CT abdomen. axial view. 512x512 px. 40-year-old male patient. 15 organs annotated in this scan (a whole-scan count: organs this slice does not pass through have no box)
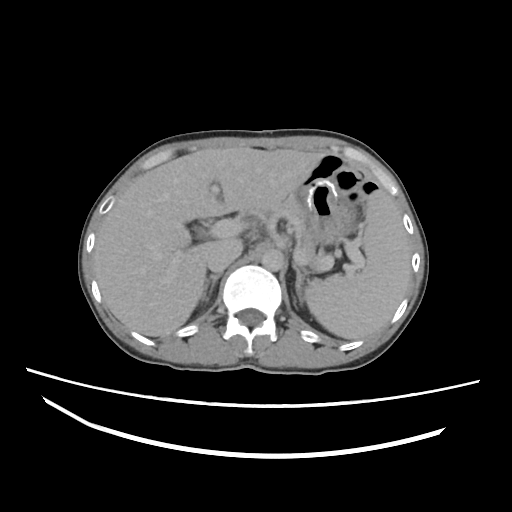 Bounding boxes in pixels, one row per box: x1, y1 is the top-left corner and x2, y2 the bottom-right.
| organ | x1 | y1 | x2 | y2 |
|---|---|---|---|---|
| stomach | 299 | 154 | 353 | 243 |
| right adrenal gland | 200 | 273 | 221 | 304 |
| inferior vena cava | 205 | 238 | 242 | 272 |
| aorta | 261 | 248 | 284 | 272 |
| left adrenal gland | 293 | 263 | 305 | 303 |
| pancreas | 249 | 196 | 317 | 252 |
| spleen | 303 | 191 | 410 | 341 |
| liver | 94 | 146 | 325 | 337 |
| gall bladder | 192 | 227 | 204 | 239 |